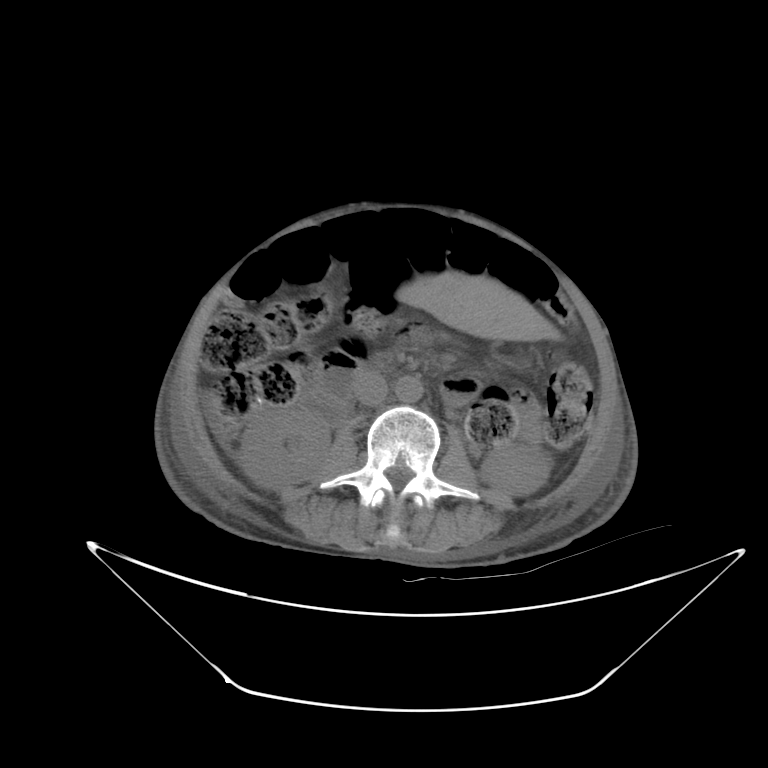 Computed tomography, abdomen; axial view; 56-year-old male patient
{"organs":{"left kidney":[482,443,550,494],"liver":[396,270,560,341],"aorta":[395,375,423,403],"duodenum":[312,398,345,425],"right kidney":[239,408,329,489],"inferior vena cava":[354,372,388,406]}}